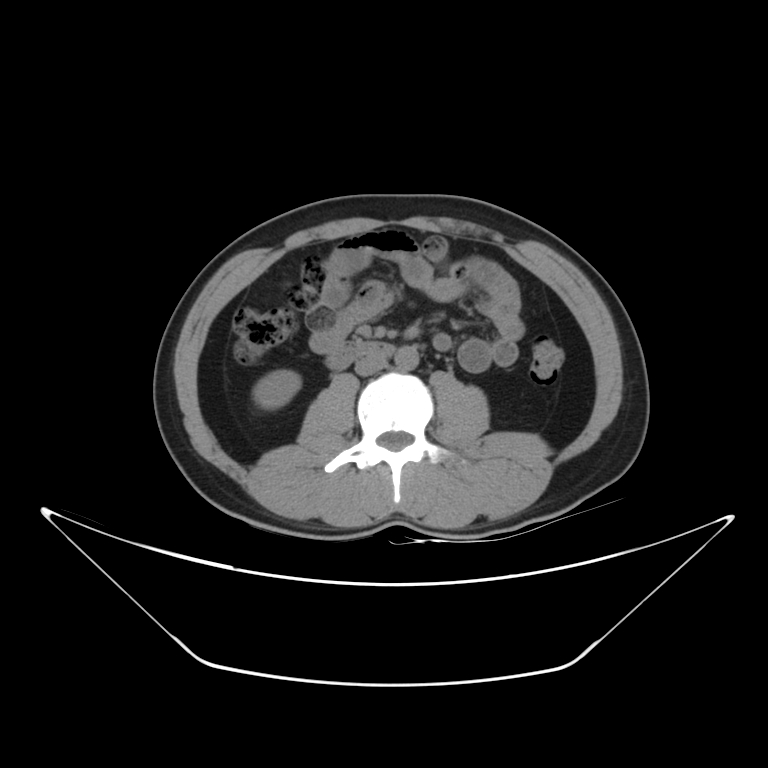

Abdominal CT — axial plane, index 56 — abdomen soft-tissue window — 37-year-old male patient — Brilliance16 scanner
Organ boxes in pixel coordinates; each row gives the top-left (x1, y1) and bottom-right (x2, y2) corners.
| organ | x1 | y1 | x2 | y2 |
|---|---|---|---|---|
| right kidney | 252 | 369 | 300 | 410 |
| duodenum | 326 | 340 | 394 | 369 |
| inferior vena cava | 355 | 353 | 388 | 375 |
| aorta | 395 | 346 | 419 | 369 |